Computed tomography, abdomen. axial view
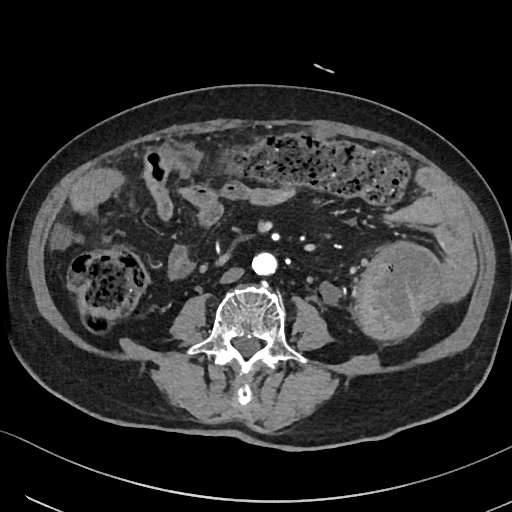
{"organs":{"aorta":[253,252,278,275],"inferior vena cava":[220,267,244,283]}}